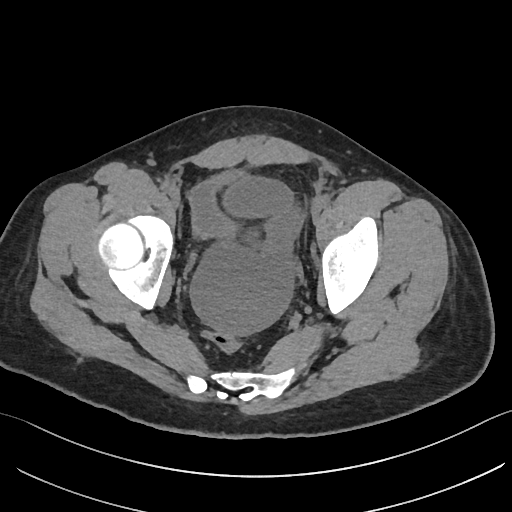
CT, abdomen/pelvis. axial view. 512x512 px
Bounding boxes as [x1, y1, x2, y2] in pixel coordinates.
Organ bounding boxes:
- bladder: [191, 169, 241, 235]